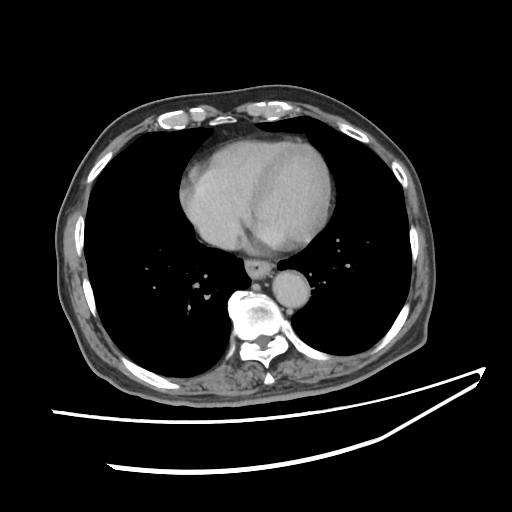 Abdominal CT; this slice is in the lower chest, just above the liver — Axial slice 90/91 — soft-tissue window (W 400 / L 40) — 83-year-old male patient
Of the structures in the chest, this dataset labels only the esophagus, the aorta and the inferior vena cava; the heart and lungs have no label.
<organs><organ name="esophagus" x1="245" y1="259" x2="277" y2="277"/><organ name="inferior vena cava" x1="197" y1="219" x2="238" y2="247"/><organ name="aorta" x1="272" y1="269" x2="309" y2="308"/></organs>